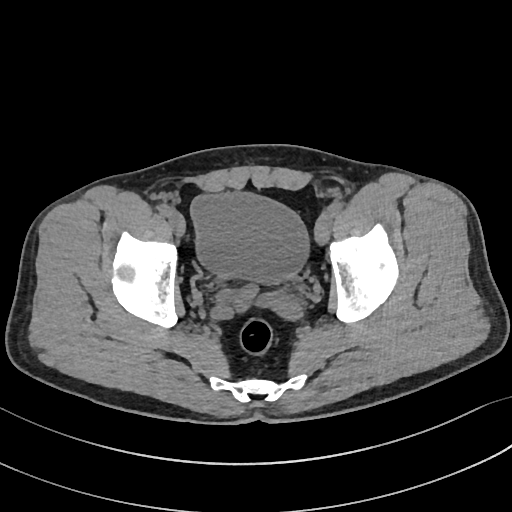

CT abdomen. axial view. soft-tissue window
{"organs":{"bladder":[190,193,308,284]}}